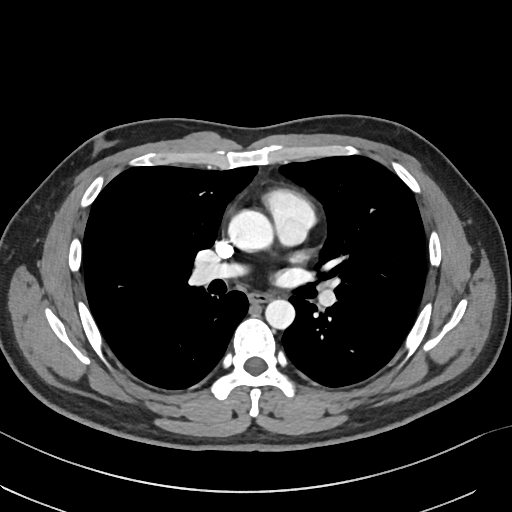
Chest-level CT slice, above the liver and spleen; axial view; soft-tissue window, W/L 400/40
On a slice this high in the chest, this dataset labels only the esophagus and the aorta, and each is boxed only where it is labeled; the heart, lungs and other chest structures are not labeled. Boxes are (x1, y1, x2, y2) in pixels. 2 labeled organs on this slice — aorta at (228, 209, 273, 252); aorta at (265, 299, 295, 329); esophagus at (249, 293, 270, 303).